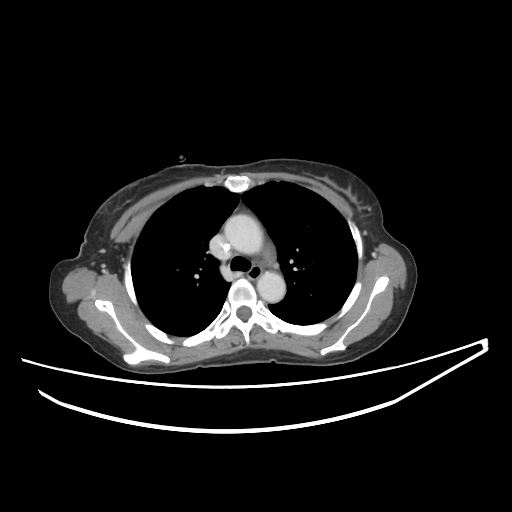
Chest-level CT slice, above the liver and spleen — axial plane, index 102 — 62-year-old female patient — scan has 15 labeled organs (counted over the whole 3D scan, not this slice; an organ is boxed only where this slice passes through it)
At this level of the chest no structure but the esophagus and the aorta has a label in this dataset, and those two are boxed only where they are labeled. Box edges are left/top/right/bottom in pixels. Labeled organs on this slice: esophagus at left=248, top=265, right=261, bottom=279, aorta at left=224, top=214, right=263, bottom=254, aorta at left=257, top=271, right=285, bottom=302.